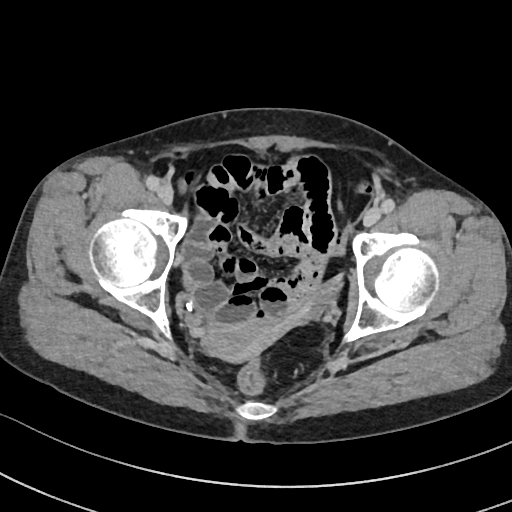 Abdominal CT. Axial slice 26/192. W/L 400/40 HU. SOMATOM Force scanner
Coordinates as <box>x1,y1,x2,y2</box> in pixels.
Organ bounding boxes:
- prostate/uterus: <box>200,320,277,363</box>